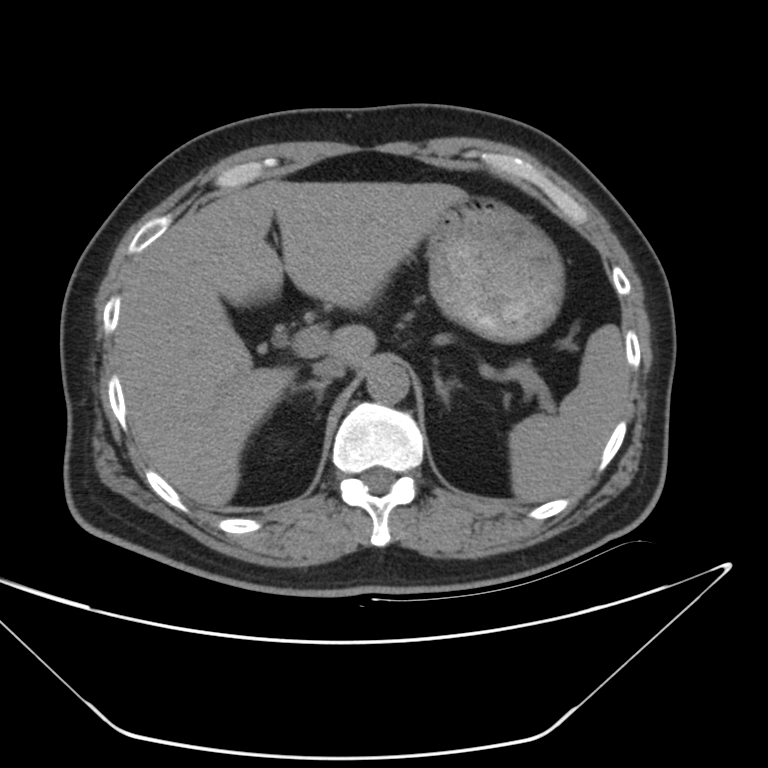
Computed tomography, abdomen; axial view; soft-tissue window (W 400 / L 40); 50-year-old male patient
Bounding boxes in pixels, one row per box: x1, y1 is the top-left corner and x2, y2 the bottom-right.
| organ | x1 | y1 | x2 | y2 |
|---|---|---|---|---|
| spleen | 509 | 325 | 627 | 500 |
| liver | 117 | 181 | 468 | 510 |
| stomach | 429 | 196 | 565 | 344 |
| aorta | 366 | 362 | 411 | 404 |
| inferior vena cava | 311 | 357 | 346 | 380 |
| right adrenal gland | 286 | 379 | 330 | 404 |
| left adrenal gland | 433 | 372 | 448 | 400 |